CT abdomen; axial view; acquired on SOMATOM Force
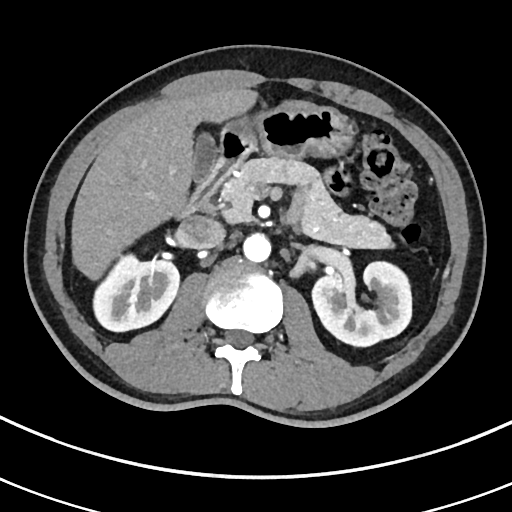
{"organs":{"pancreas":[225,156,395,249],"gall bladder":[193,136,217,181],"aorta":[243,233,270,263],"right kidney":[94,255,178,331],"stomach":[225,107,352,159],"liver":[70,87,325,279],"duodenum":[188,128,251,211],"inferior vena cava":[180,215,226,248],"left kidney":[311,262,411,346]}}